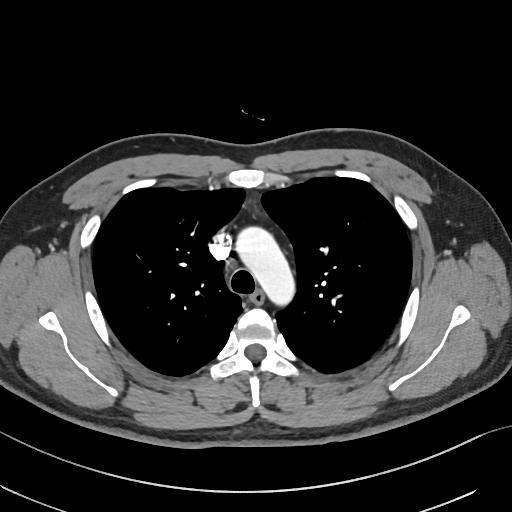
CT of the abdomen extending into the chest, slice through the chest · axial plane, index 265 · soft-tissue window, W/L 400/40 · acquired on SOMATOM Force · scan has 15 labeled organs (that count is for the whole scan; organs this slice misses have no box)
At this level of the chest no structure but the esophagus and the aorta has a label in this dataset, and those two are boxed only where they are labeled.
Boxes are (x1, y1, x2, y2) in pixels.
Organ bounding boxes:
- esophagus: (249, 290, 264, 304)
- aorta: (236, 226, 295, 305)